Abdominal CT. Axial slice 18/123. 512x512 px. 47-year-old male patient. Aquilion ONE scanner. 15 organs annotated in this scan (counted over the whole 3D scan, not this slice; an organ is boxed only where this slice passes through it)
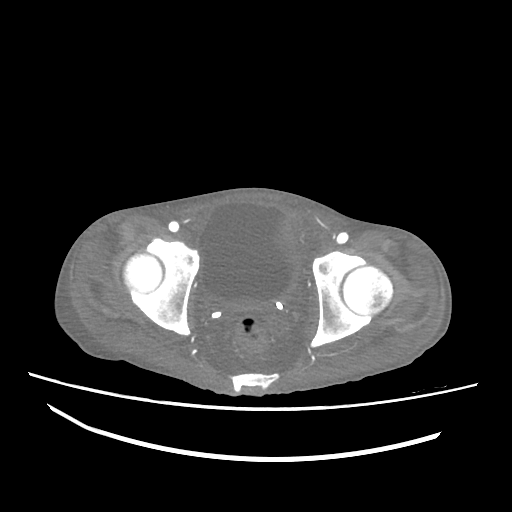
Boxes: x1:y1:x2:y2 in pixels.
Organ bounding boxes:
- bladder: 202:201:296:307